Chest-level slice from an abdominal CT that extends up into the chest; axial view
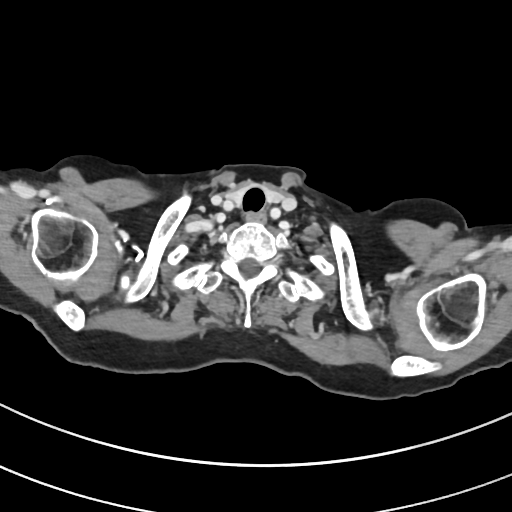 At this level of the chest no structure but the esophagus and the aorta has a label in this dataset, and those two are boxed only where they are labeled.
{"organs":{"esophagus":[247,212,267,221]}}